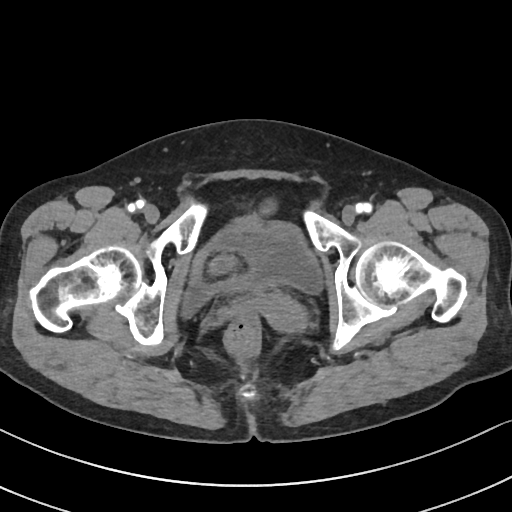
Computed tomography, abdomen. Axial slice 27/294. 512x512 px. scan has 15 labeled organs (a whole-scan count: organs this slice does not pass through have no box)
Bounding boxes as [x1, y1, x2, y2] in pixel coordinates. Labeled organs on this slice: bladder at [183, 213, 321, 313], prostate/uterus at [256, 293, 307, 331].